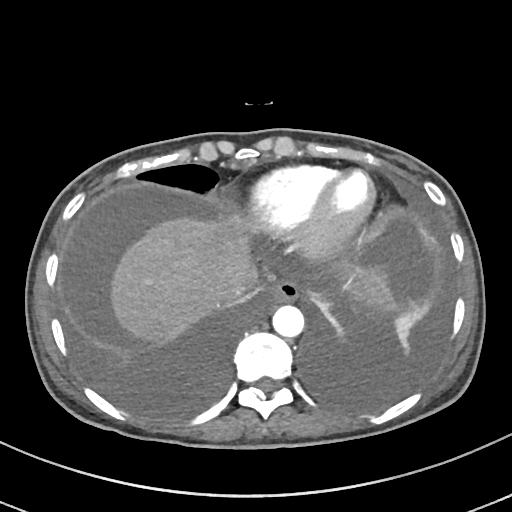
Computed tomography, abdomen · axial view · 512x512 px · acquired on SOMATOM Force
Box edges are left/top/right/bottom in pixels.
aorta: left=272, top=304, right=303, bottom=336
liver: left=112, top=215, right=392, bottom=348
inferior vena cava: left=225, top=269, right=258, bottom=302
esophagus: left=270, top=279, right=299, bottom=301